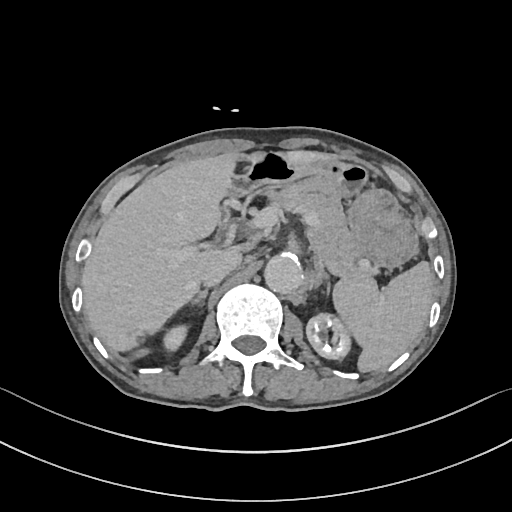
Computed tomography, abdomen · axial view · W/L 400/40 HU · scan has 15 labeled organs (counted over the whole 3D scan, not this slice; an organ is boxed only where this slice passes through it)
{"organs":{"spleen":[334,261,434,371],"right kidney":[163,326,187,353],"left kidney":[306,313,353,358],"liver":[82,151,331,349],"stomach":[224,151,417,266],"aorta":[265,253,301,292],"inferior vena cava":[201,249,241,285],"pancreas":[266,178,375,277],"right adrenal gland":[191,290,207,304],"left adrenal gland":[315,264,330,297],"duodenum":[217,207,228,226]}}